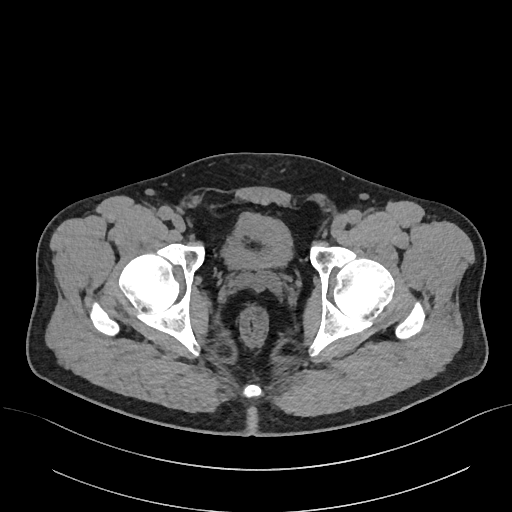

CT, abdomen/pelvis · axial view · 512x512 px · acquired on SOMATOM Force
Boxes: x1:y1:x2:y2 in pixels.
bladder: 222:213:291:268